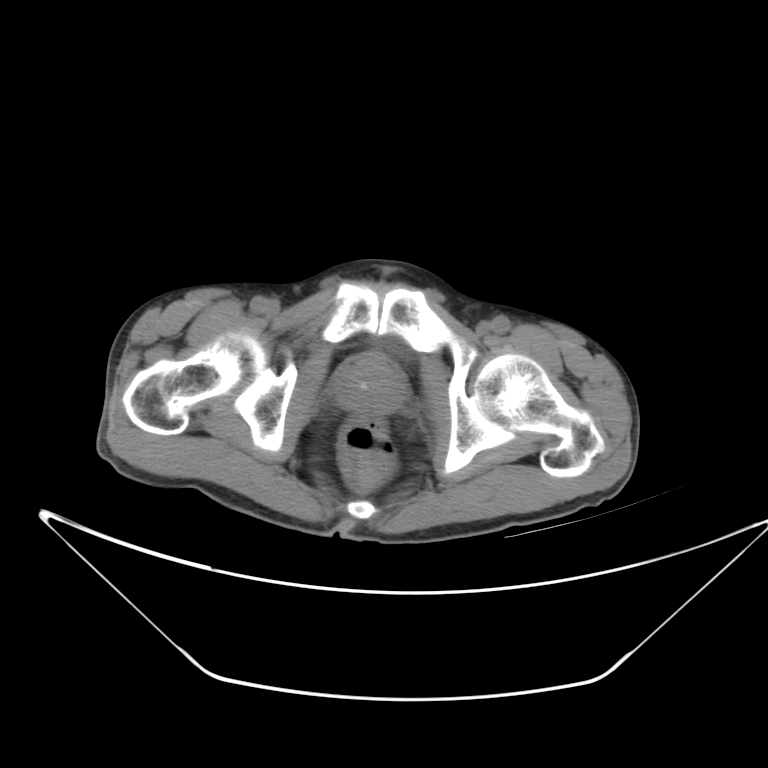 Computed tomography, abdomen. axial view
Organ boxes in pixel coordinates; each row gives the top-left (x1, y1) and bottom-right (x2, y2) corners.
| organ | x1 | y1 | x2 | y2 |
|---|---|---|---|---|
| prostate/uterus | 336 | 358 | 405 | 409 |